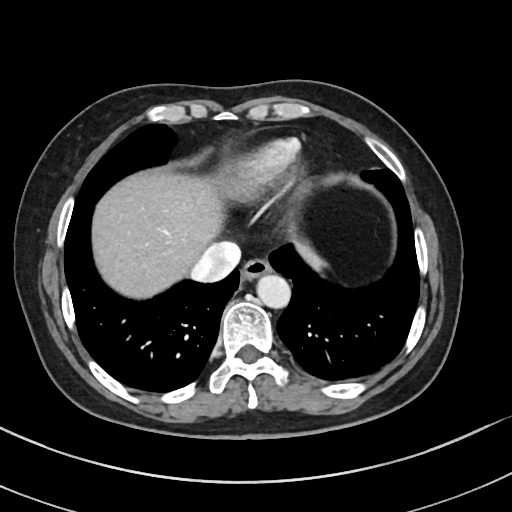 Abdominal CT. axial plane, index 216
Boxes: x1 y1 x2 y2 (pixel coords, space-separated).
Organ bounding boxes:
- aorta: 255 273 289 306
- inferior vena cava: 192 241 240 283
- liver: 91 171 322 297
- esophagus: 240 257 271 279